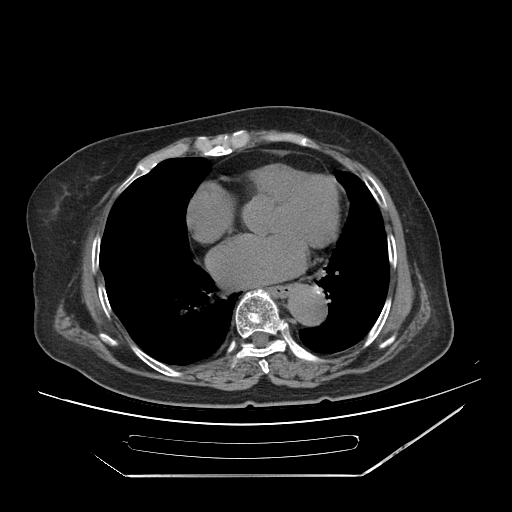
Abdominal CT; this slice is in the lower chest, just above the liver · axial view · scan has 15 labeled organs (that count is for the whole scan; organs this slice misses have no box)
Of the structures in the chest, this dataset labels only the esophagus, the aorta and the inferior vena cava; the heart and lungs have no label. Boxes are (x1, y1, x2, y2) in pixels. 2 labeled organs on this slice — esophagus at (271, 285, 293, 297); aorta at (287, 284, 326, 325).